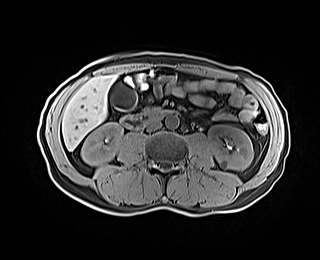
Magnetic resonance imaging, abdomen. Axial slice 23/72. Prisma scanner. 13 organs annotated in this scan (a whole-scan count: organs this slice does not pass through have no box)
Each box given as x1,y1,x2,y2. 7 labeled organs on this slice — right kidney at x1=81, y1=122, x2=123, y2=165; left kidney at x1=208, y1=124, x2=253, y2=170; gall bladder at x1=110, y1=83, x2=136, y2=110; liver at x1=62, y1=76, x2=115, y2=150; aorta at x1=165, y1=114, x2=178, y2=128; inferior vena cava at x1=146, y1=119, x2=161, y2=131; duodenum at x1=121, y1=109, x2=169, y2=130.